Abdominal CT. axial view. 768x768 px. 56-year-old male patient. Brilliance16 scanner. scan has 14 labeled organs (counted over the whole 3D scan, not this slice; an organ is boxed only where this slice passes through it)
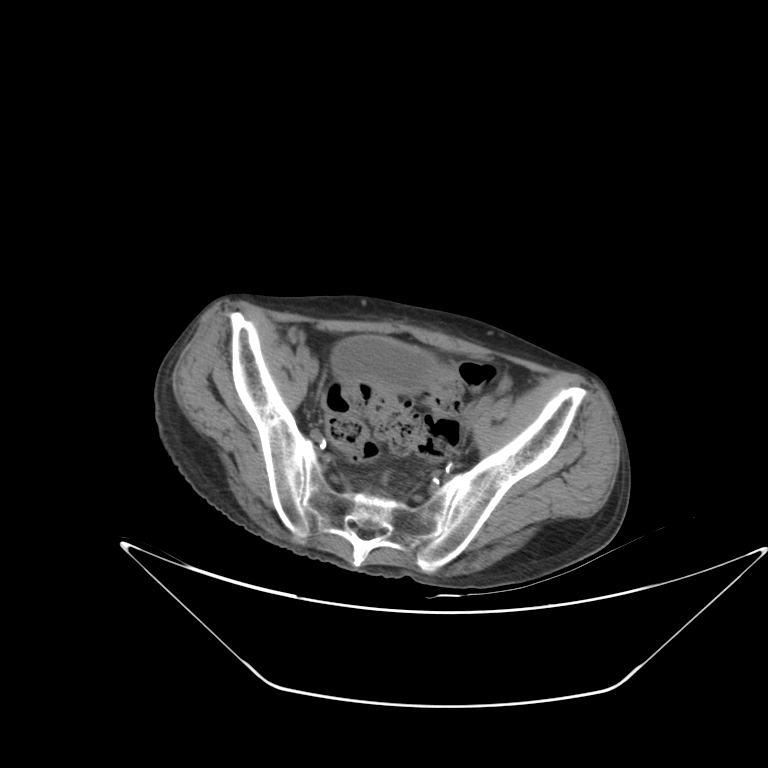

Organ boxes in pixel coordinates; each row gives the top-left (x1, y1) and bottom-right (x2, y2) corners.
| organ | x1 | y1 | x2 | y2 |
|---|---|---|---|---|
| bladder | 331 | 335 | 437 | 392 |